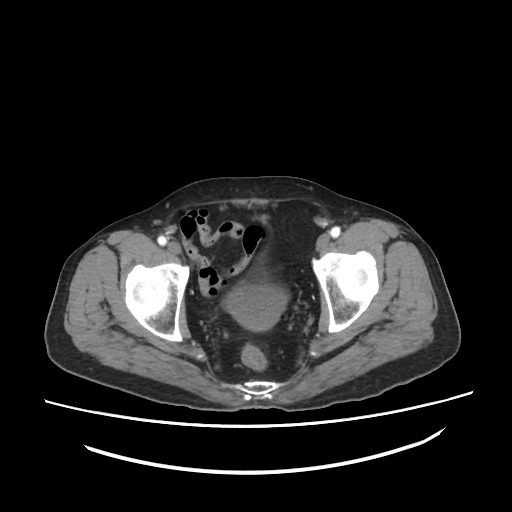

Abdominal CT — axial view — 68-year-old male patient — acquired on Aquilion ONE
One row per box, in pixels: columns x1 and y1 give the top-left corner, x2 and y2 the bottom-right.
| organ | x1 | y1 | x2 | y2 |
|---|---|---|---|---|
| bladder | 223 | 283 | 287 | 330 |